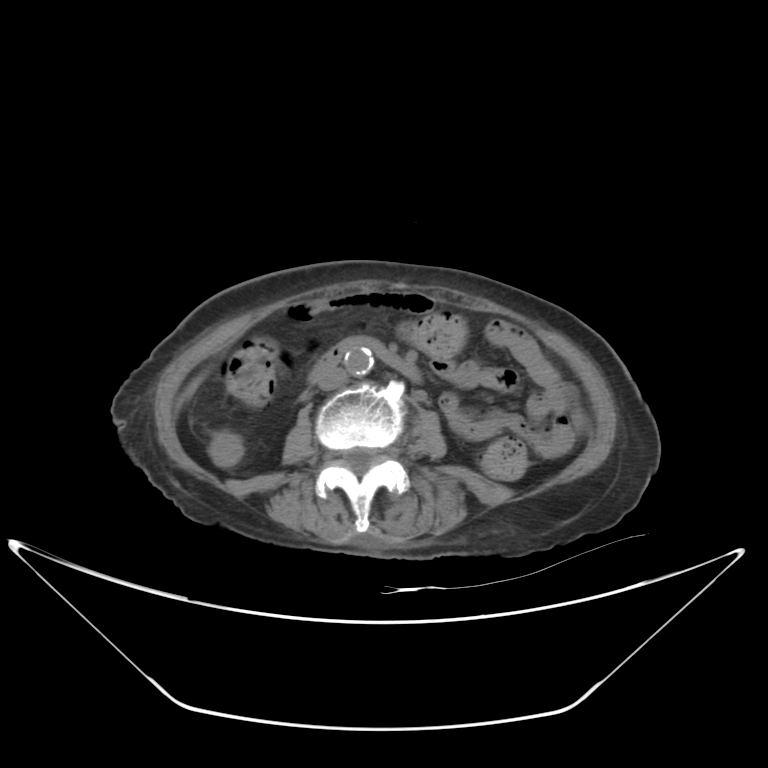

CT abdomen; Axial slice 45/79; soft-tissue window (W 400 / L 40); female patient aged 90 or older
<organs><organ name="aorta" x1="344" y1="349" x2="373" y2="375"/><organ name="duodenum" x1="309" y1="338" x2="418" y2="385"/><organ name="inferior vena cava" x1="318" y1="366" x2="347" y2="390"/></organs>